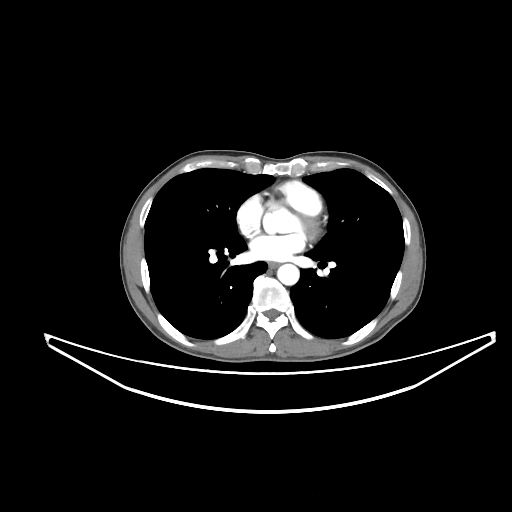
CT of the abdomen extending into the chest, slice through the chest · axial view · 52-year-old male patient
At this level of the chest no structure but the esophagus and the aorta has a label in this dataset, and those two are boxed only where they are labeled.
Boxes: x1:y1:x2:y2 in pixels.
Organ bounding boxes:
- esophagus: 268:262:278:268
- aorta: 277:263:299:285